CT, abdomen/pelvis · axial plane, index 15 · 512x512 px · 61-year-old female patient · 15 organs annotated in this scan (counted over the whole 3D scan, not this slice; an organ is boxed only where this slice passes through it)
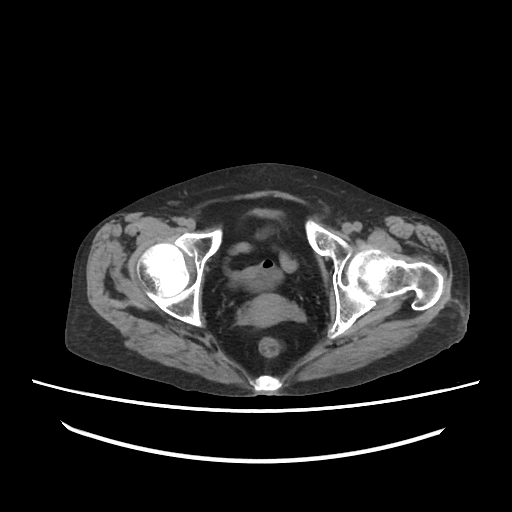 {"organs":{"prostate/uterus":[244,294,295,327],"bladder":[253,209,277,217]}}